Abdominal CT · axial view · soft-tissue window · 512x512 px
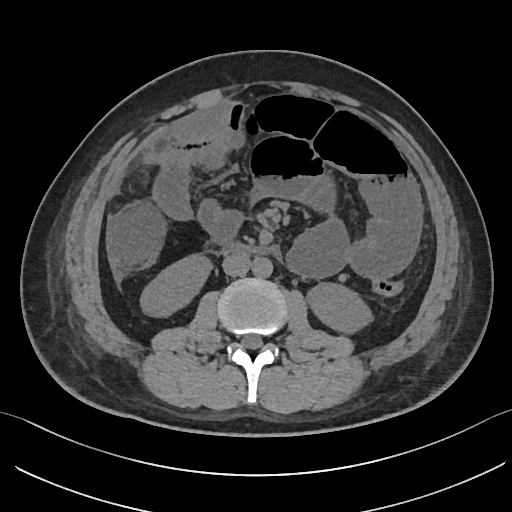

Boxes are (x1, y1, x2, y2) in pixels.
right kidney: (140, 254, 211, 317)
left kidney: (307, 283, 372, 333)
aorta: (252, 257, 273, 277)
inferior vena cava: (222, 252, 250, 276)
duodenum: (222, 243, 277, 254)